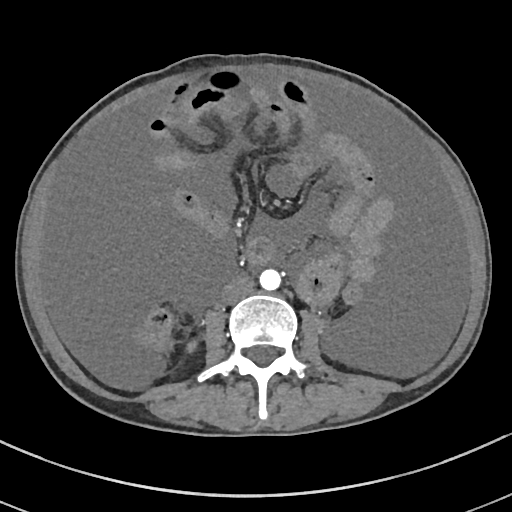
CT, abdomen/pelvis. axial view
{"organs":{"right kidney":[187,342,194,352],"aorta":[259,269,281,290],"inferior vena cava":[221,277,253,303]}}